Computed tomography, abdomen. axial view. acquired on SOMATOM Force
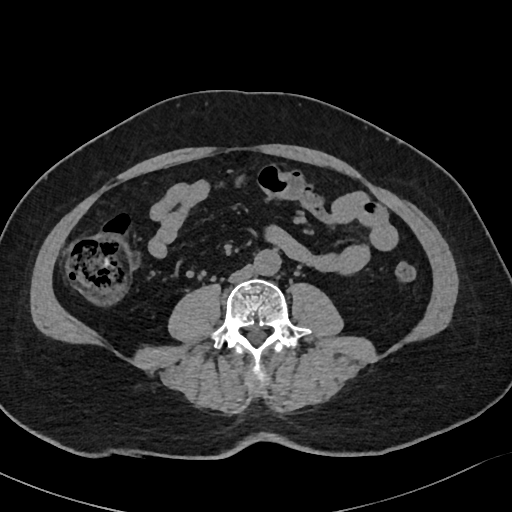
Coordinates as <box>x1,y1,x2,y2</box> in pixels. Labeled organs on this slice: aorta at <box>253,249,280,276</box>, inferior vena cava at <box>228,265,254,283</box>.